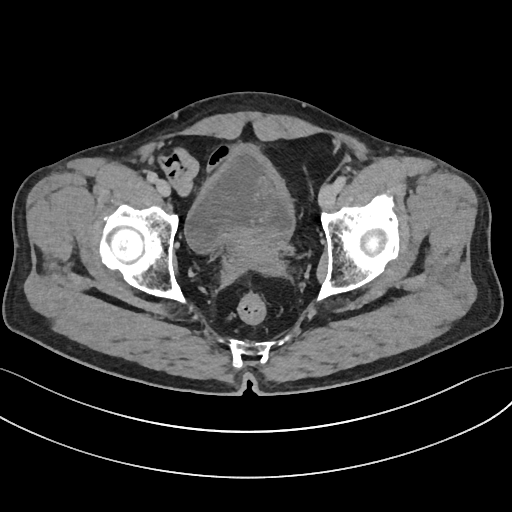

Abdominal CT · axial view · soft-tissue window (W 400 / L 40) · 512x512 px
<organs><organ name="bladder" x1="185" y1="150" x2="293" y2="254"/><organ name="prostate/uterus" x1="224" y1="234" x2="279" y2="262"/></organs>